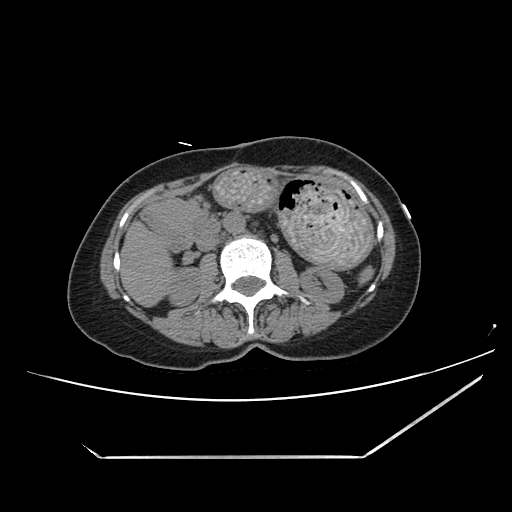
Computed tomography, abdomen — Axial slice 89/143
Boxes: x1:y1:x2:y2 in pixels. Labeled organs on this slice: inferior vena cava at 196:233:218:251, left kidney at 299:267:344:302, pancreas at 161:199:205:229, right kidney at 168:269:199:305, duodenum at 141:203:218:252, stomach at 214:167:374:269, liver at 120:221:174:306, aorta at 223:212:245:233, spleen at 358:266:373:284.